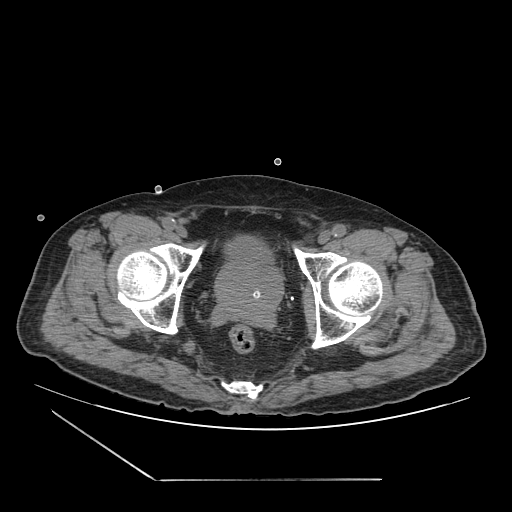 Computed tomography, abdomen · axial plane, index 27 · soft-tissue window (W 400 / L 40) · SOMATOM Force scanner
Box edges are left/top/right/bottom in pixels.
Organ bounding boxes:
- bladder: left=225, top=236, right=274, bottom=263
- prostate/uterus: left=214, top=259, right=282, bottom=317